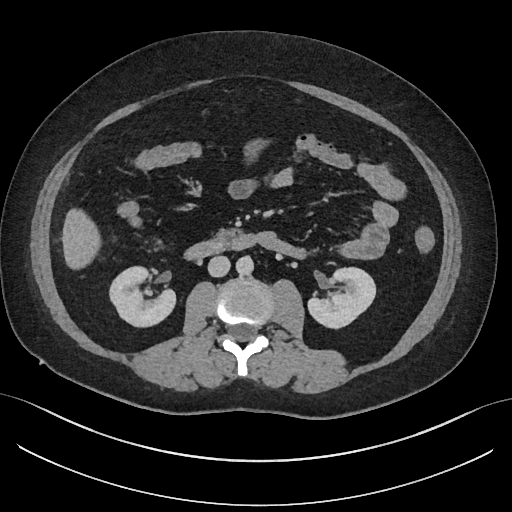

CT abdomen · axial view · W/L 400/40 HU
Boxes: x1:y1:x2:y2 in pixels. The annotated organs in this slice are: right kidney at 109:266:175:326, left kidney at 308:267:375:328, liver at 62:208:101:269, aorta at 236:256:253:274, inferior vena cava at 208:256:230:277, pancreas at 215:229:235:240, duodenum at 184:234:256:260.